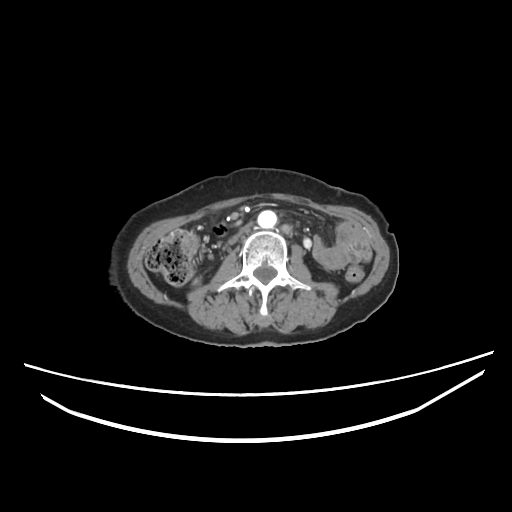

Computed tomography, abdomen; axial view; W/L 400/40 HU; 512x512 px
Boxes: x1 y1 x2 y2 (pixel coords, space-separated). The annotated organs in this slice are: aorta at 256 210 276 229, inferior vena cava at 228 221 252 246.